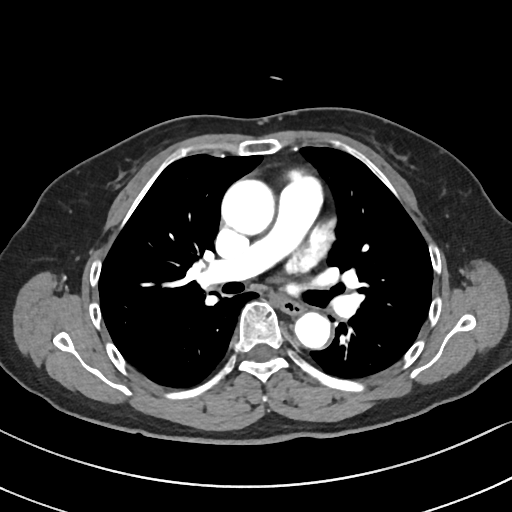 Abdominal CT reaching into the chest; this slice is in the chest — axial view — soft-tissue window — 512x512 px — scan has 15 labeled organs (that count is for the whole scan; organs this slice misses have no box)
At this level of the chest no structure but the esophagus and the aorta has a label in this dataset, and those two are boxed only where they are labeled.
Each box given as x1,y1,x2,y2.
Organ bounding boxes:
- esophagus: x1=280, y1=300, x2=304, y2=314
- aorta: x1=221, y1=179, x2=274, y2=235
- aorta: x1=294, y1=312, x2=330, y2=348